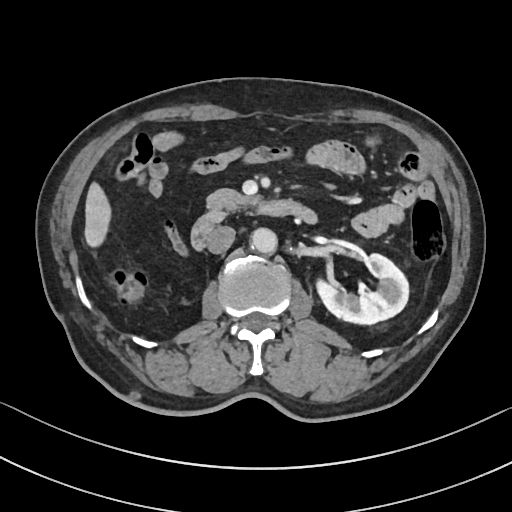 CT, abdomen/pelvis · axial view · abdomen soft-tissue window · 512x512 px · 14 organs annotated in this scan (a whole-scan count: organs this slice does not pass through have no box)
<organs><organ name="liver" x1="84" y1="184" x2="110" y2="248"/><organ name="pancreas" x1="207" y1="189" x2="259" y2="210"/><organ name="inferior vena cava" x1="206" y1="226" x2="235" y2="253"/><organ name="left kidney" x1="316" y1="254" x2="408" y2="323"/><organ name="duodenum" x1="191" y1="200" x2="319" y2="249"/><organ name="aorta" x1="249" y1="227" x2="276" y2="253"/></organs>